Lower-chest slice from an abdominal CT, just above the liver and spleen. axial view
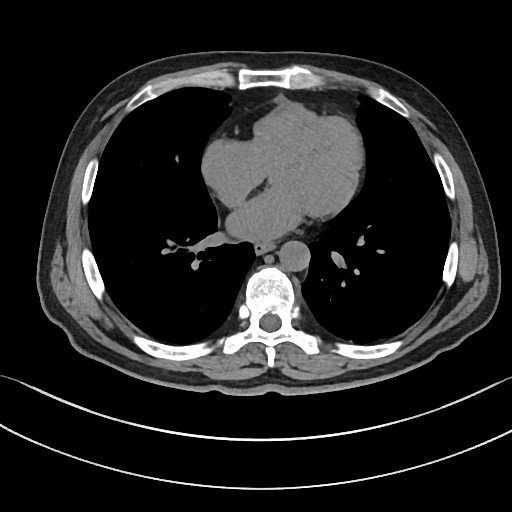
Of the structures in the chest, this dataset labels only the esophagus, the aorta and the inferior vena cava; the heart and lungs have no label.
Bounding boxes in pixels, one row per box: x1, y1 is the top-left corner and x2, y2 the bottom-right.
| organ | x1 | y1 | x2 | y2 |
|---|---|---|---|---|
| esophagus | 254 | 243 | 274 | 254 |
| aorta | 278 | 241 | 310 | 271 |